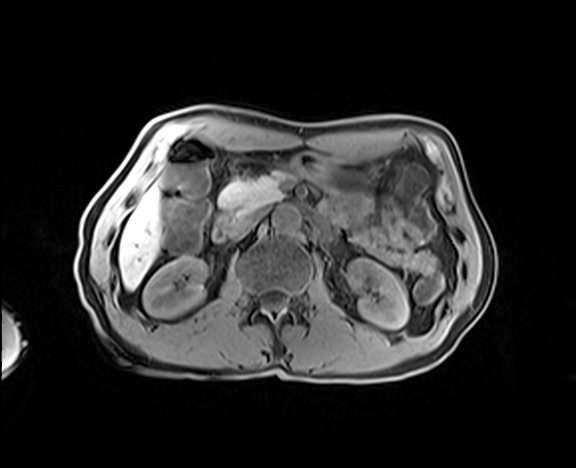 Abdominal MRI — axial view — percentile-normalized — 576x468 px — scan has 13 labeled organs (counted over the whole 3D scan, not this slice; an organ is boxed only where this slice passes through it)
{"organs":{"right kidney":[143,256,206,317],"left kidney":[348,259,408,328],"liver":[119,185,161,289],"stomach":[293,152,372,195],"aorta":[272,206,301,233],"inferior vena cava":[229,211,263,239],"pancreas":[218,174,282,215],"duodenum":[212,214,232,242]}}